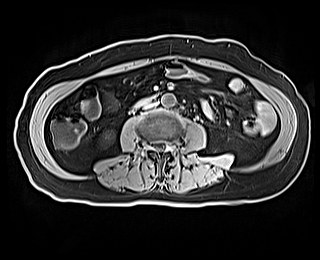 Magnetic resonance imaging, abdomen; axial view; 13 organs annotated in this scan (that count is for the whole scan; organs this slice misses have no box)
<organs><organ name="duodenum" x1="129" y1="94" x2="159" y2="113"/><organ name="aorta" x1="161" y1="94" x2="176" y2="107"/><organ name="right kidney" x1="102" y1="132" x2="113" y2="142"/><organ name="inferior vena cava" x1="143" y1="102" x2="156" y2="109"/></organs>